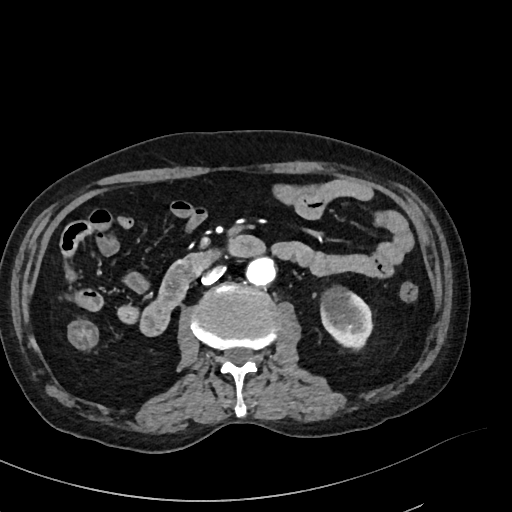 CT abdomen · axial view · soft-tissue window (W 400 / L 40) · scan has 15 labeled organs (a whole-scan count: organs this slice does not pass through have no box)
{"organs":{"left kidney":[319,284,371,347],"aorta":[246,255,277,285],"inferior vena cava":[202,266,224,284],"duodenum":[142,235,262,334]}}